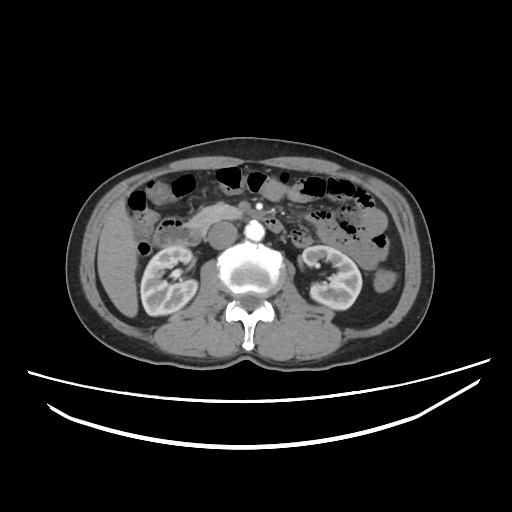

Computed tomography, abdomen. axial plane, index 30. abdomen soft-tissue window. 512x512 px. Aquilion ONE scanner. scan has 13 labeled organs (a whole-scan count: organs this slice does not pass through have no box)
Each box given as x1,y1,x2,y2. Labeled organs on this slice: right kidney at x1=140, y1=245, x2=197, y2=315, left kidney at x1=302, y1=245, x2=362, y2=309, liver at x1=97, y1=199, x2=137, y2=317, aorta at x1=244, y1=221, x2=264, y2=241, inferior vena cava at x1=207, y1=222, x2=237, y2=249, pancreas at x1=188, y1=202, x2=243, y2=231, duodenum at x1=153, y1=216, x2=283, y2=246.